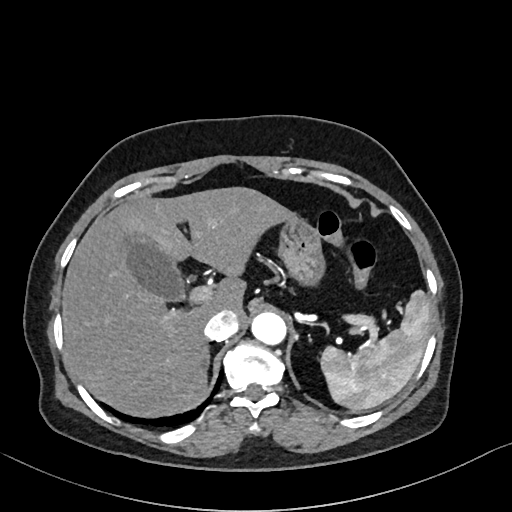 Abdominal CT — axial view
Bounding boxes as [x1, y1, x2, y2] in pixel coordinates. The annotated organs in this slice are: spleen at [319, 289, 431, 412], gall bladder at [122, 235, 187, 302], liver at [61, 187, 292, 418], stomach at [277, 215, 322, 282], aorta at [251, 312, 285, 344], inferior vena cava at [203, 309, 239, 340], right adrenal gland at [206, 345, 211, 365].